Abdominal CT. axial view
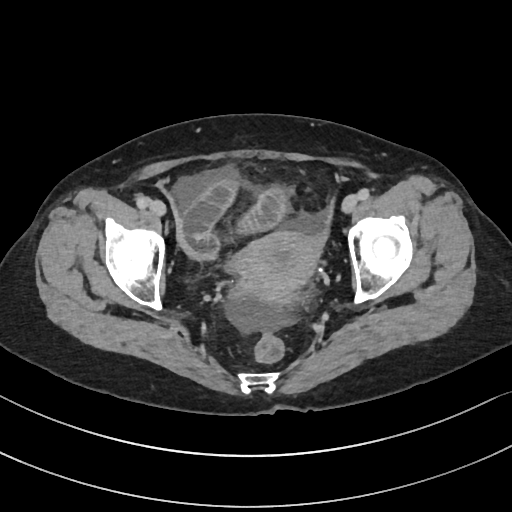

Each box given as x1,y1,x2,y2.
prostate/uterus: x1=240, y1=232, x2=317, y2=305